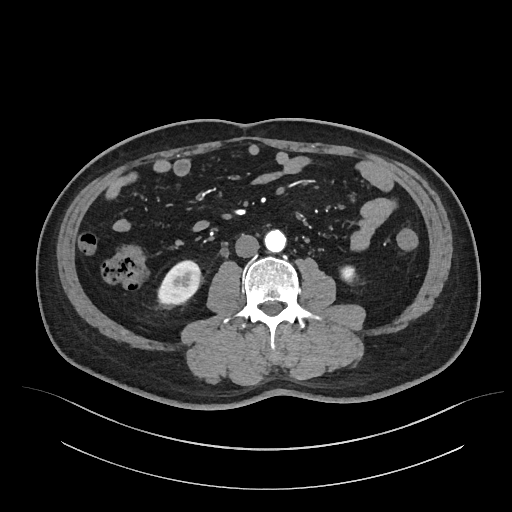

CT abdomen; axial plane, index 132; soft-tissue window (W 400 / L 40); 512x512 px
<organs><organ name="right kidney" x1="158" y1="261" x2="199" y2="306"/><organ name="left kidney" x1="342" y1="267" x2="354" y2="278"/><organ name="aorta" x1="264" y1="229" x2="285" y2="251"/><organ name="inferior vena cava" x1="235" y1="235" x2="259" y2="257"/></organs>